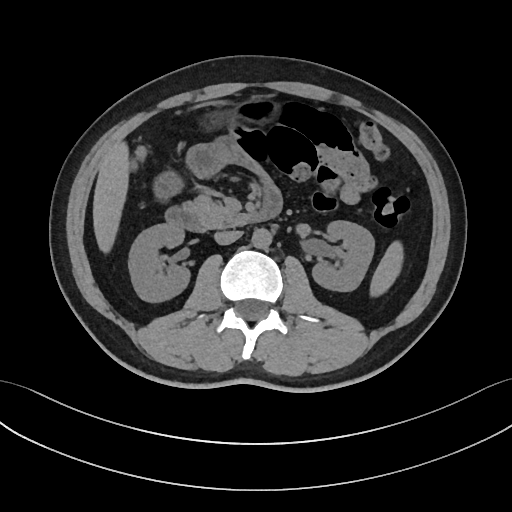 CT abdomen. axial plane, index 143
{"organs":{"spleen":[369,241,403,296],"right kidney":[128,223,190,302],"left kidney":[312,221,374,291],"liver":[93,142,129,252],"stomach":[196,100,273,132],"aorta":[251,228,271,248],"inferior vena cava":[214,230,242,244],"pancreas":[185,196,247,228],"duodenum":[165,188,282,231]}}